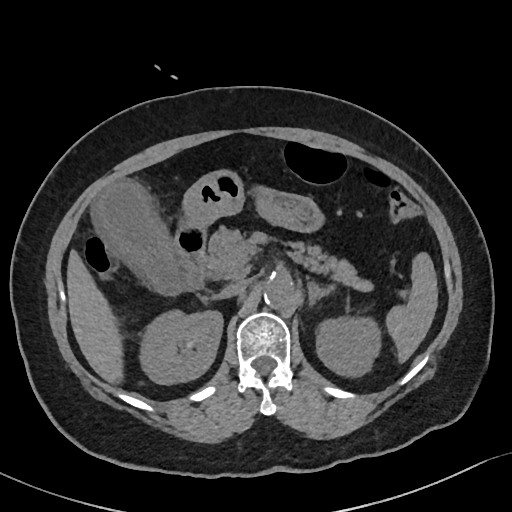

CT, abdomen/pelvis · axial view · 512x512 px · SOMATOM Force scanner
One row per box, in pixels: columns x1 and y1 give the top-left corner, x2 and y2 the bottom-right.
| organ | x1 | y1 | x2 | y2 |
|---|---|---|---|---|
| spleen | 388 | 253 | 438 | 360 |
| right kidney | 142 | 311 | 221 | 384 |
| left kidney | 315 | 315 | 381 | 376 |
| gall bladder | 92 | 180 | 183 | 296 |
| liver | 66 | 253 | 120 | 382 |
| stomach | 184 | 169 | 320 | 230 |
| aorta | 263 | 274 | 293 | 306 |
| inferior vena cava | 220 | 278 | 248 | 297 |
| pancreas | 204 | 228 | 371 | 291 |
| left adrenal gland | 308 | 279 | 329 | 303 |
| duodenum | 174 | 219 | 206 | 290 |